Abdominal CT. axial view
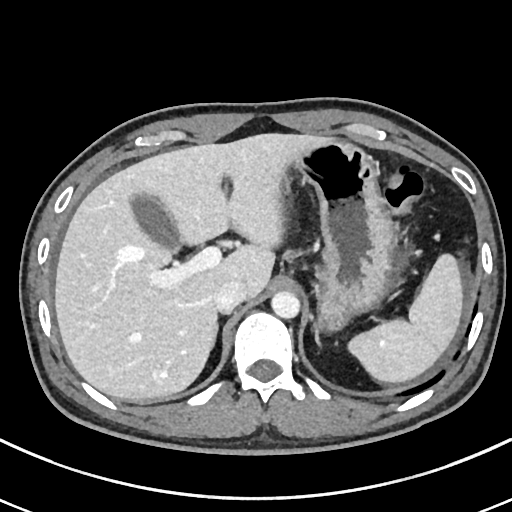 Boxes: x1:y1:x2:y2 in pixels.
spleen: 345:255:462:381
gall bladder: 129:195:179:250
liver: 55:134:337:401
stomach: 293:142:396:330
aorta: 271:292:300:319
inferior vena cava: 214:280:245:313
left adrenal gland: 313:323:321:344